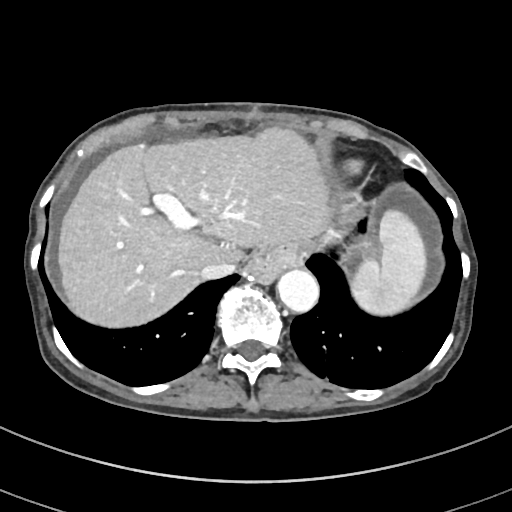

Computed tomography, abdomen; Axial slice 162/198; acquired on SOMATOM Force; scan has 14 labeled organs (that count is for the whole scan; organs this slice misses have no box)
<organs><organ name="spleen" x1="351" y1="209" x2="426" y2="315"/><organ name="liver" x1="58" y1="127" x2="332" y2="327"/><organ name="aorta" x1="277" y1="269" x2="319" y2="312"/><organ name="inferior vena cava" x1="199" y1="259" x2="236" y2="279"/></organs>